Abdominal CT · axial view · abdomen soft-tissue window · 768x768 px
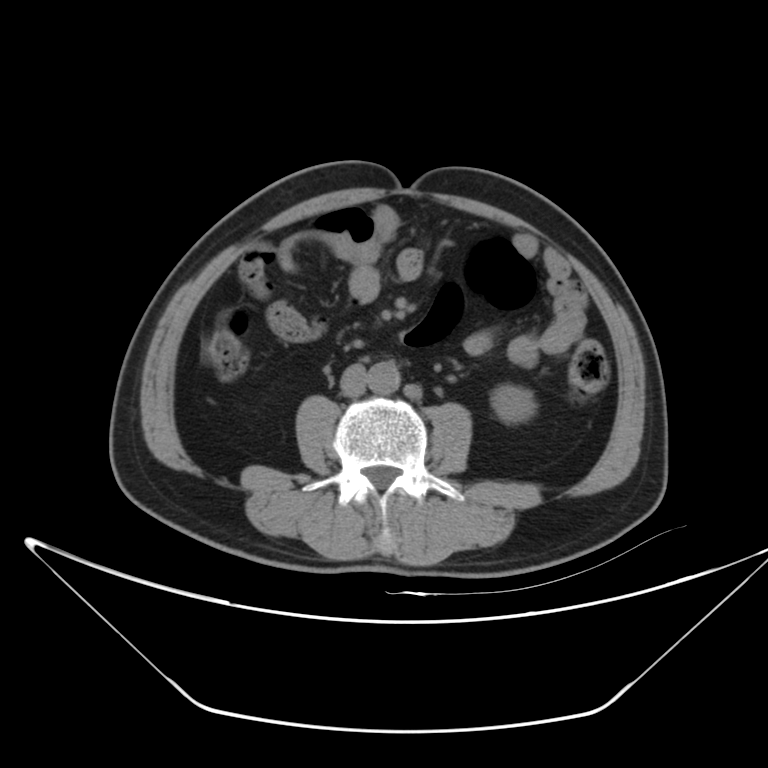

Box edges are left/top/right/bottom in pixels. 3 labeled organs on this slice — left kidney at left=492, top=384, right=535, bottom=421; aorta at left=367, top=361, right=400, bottom=394; inferior vena cava at left=340, top=364, right=366, bottom=396.